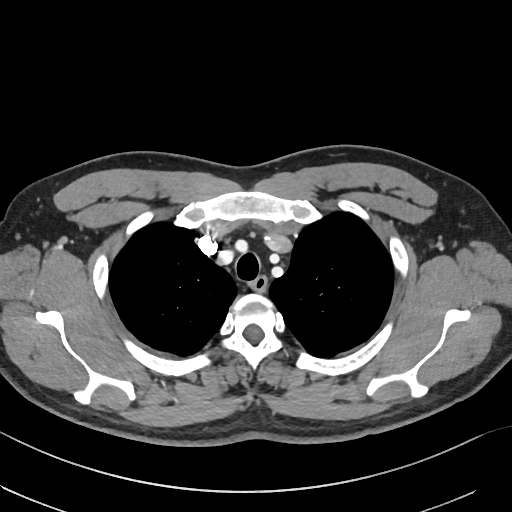
Abdominal CT reaching into the chest; this slice is in the chest — axial view — SOMATOM Force scanner
At this level of the chest no structure but the esophagus and the aorta has a label in this dataset, and those two are boxed only where they are labeled.
{"organs":{"esophagus":[250,276,267,292]}}